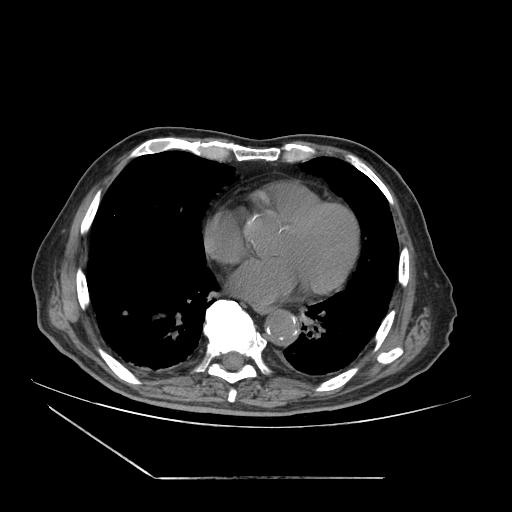

CT of the abdomen reaching into the lower chest, slice just above the liver and spleen. axial plane, index 178. scan has 15 labeled organs (a whole-scan count: organs this slice does not pass through have no box)
The heart and lungs are never labeled in this dataset, so they have no box on this slice.
{"organs":{"esophagus":[253,305,276,313],"aorta":[265,310,298,345]}}